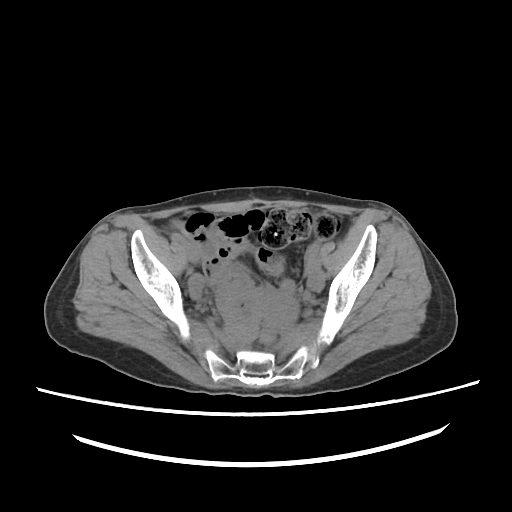

Abdominal CT — axial plane, index 20
Organ boxes in pixel coordinates; each row gives the top-left (x1, y1) and bottom-right (x2, y2) corners.
| organ | x1 | y1 | x2 | y2 |
|---|---|---|---|---|
| prostate/uterus | 271 | 293 | 297 | 324 |